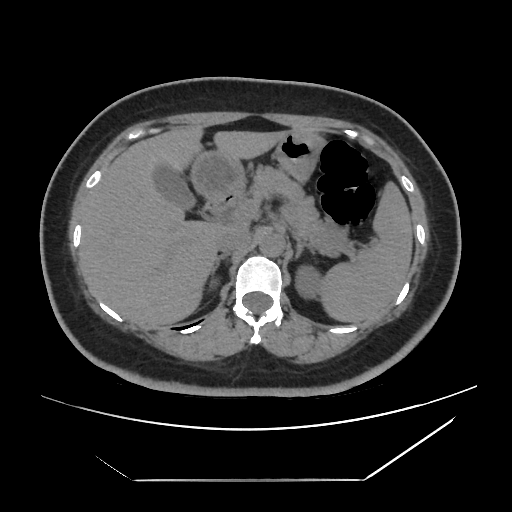 CT abdomen. Axial slice 248/345. W/L 400/40 HU
<organs><organ name="spleen" x1="321" y1="182" x2="412" y2="322"/><organ name="left kidney" x1="298" y1="267" x2="323" y2="300"/><organ name="gall bladder" x1="153" y1="162" x2="194" y2="209"/><organ name="liver" x1="79" y1="125" x2="287" y2="326"/><organ name="stomach" x1="190" y1="131" x2="323" y2="199"/><organ name="aorta" x1="259" y1="231" x2="284" y2="256"/><organ name="inferior vena cava" x1="216" y1="229" x2="251" y2="253"/><organ name="pancreas" x1="240" y1="165" x2="348" y2="256"/><organ name="right adrenal gland" x1="213" y1="253" x2="229" y2="271"/><organ name="left adrenal gland" x1="293" y1="233" x2="313" y2="257"/><organ name="duodenum" x1="204" y1="194" x2="236" y2="220"/></organs>